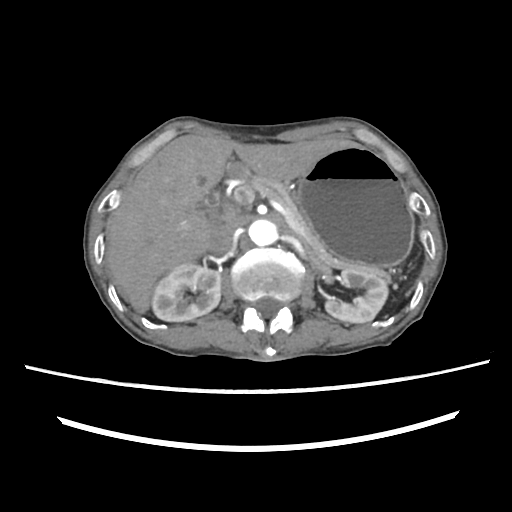
Computed tomography, abdomen; axial plane, index 59; W/L 400/40 HU; 81-year-old male patient; Aquilion ONE scanner; scan has 15 labeled organs (a whole-scan count: organs this slice does not pass through have no box)
<organs><organ name="right kidney" x1="151" y1="263" x2="221" y2="321"/><organ name="left kidney" x1="325" y1="269" x2="387" y2="323"/><organ name="liver" x1="106" y1="134" x2="350" y2="312"/><organ name="stomach" x1="295" y1="143" x2="414" y2="266"/><organ name="aorta" x1="248" y1="219" x2="278" y2="245"/><organ name="inferior vena cava" x1="212" y1="216" x2="243" y2="253"/><organ name="pancreas" x1="248" y1="175" x2="391" y2="279"/><organ name="duodenum" x1="208" y1="193" x2="219" y2="221"/></organs>